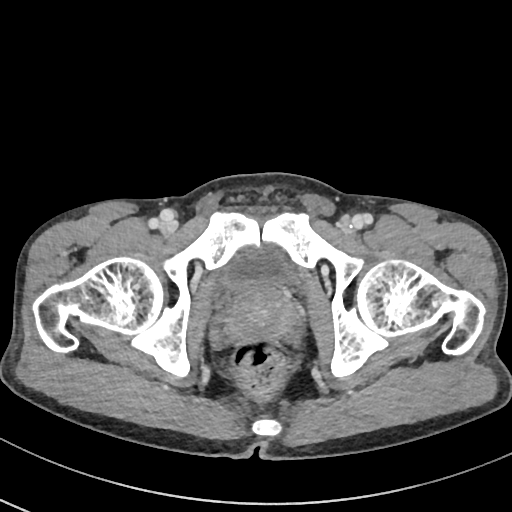 CT abdomen. axial view. W/L 400/40 HU. 512x512 px. acquired on SOMATOM Force
Each box given as x1,y1,x2,y2. 2 labeled organs on this slice — bladder at x1=221, y1=249, x2=294, y2=289; prostate/uterus at x1=227, y1=282, x2=296, y2=338.